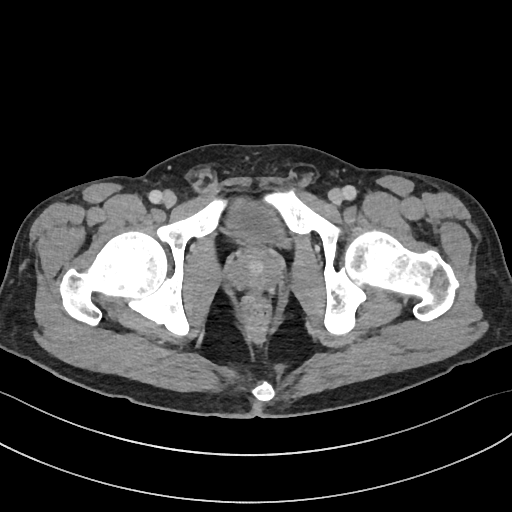

Computed tomography, abdomen — axial view — W/L 400/40 HU — 512x512 px — SOMATOM Force scanner — scan has 14 labeled organs (a whole-scan count: organs this slice does not pass through have no box)
Boxes: x1:y1:x2:y2 in pixels. The annotated organs in this slice are: prostate/uterus at 228:249:280:289, bladder at 224:201:289:249.